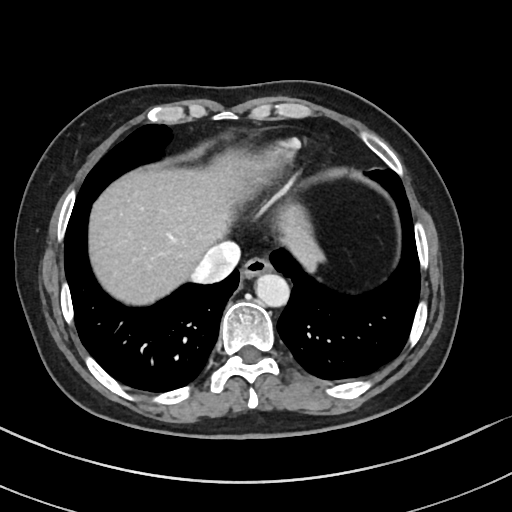 CT abdomen · Axial slice 216/314
{"organs":{"esophagus":[240,257,271,279],"aorta":[255,273,289,306],"inferior vena cava":[192,241,240,283],"liver":[89,154,323,305]}}